Computed tomography, abdomen — Axial slice 74/96 — 51-year-old male patient — 15 organs annotated in this scan (counted over the whole 3D scan, not this slice; an organ is boxed only where this slice passes through it)
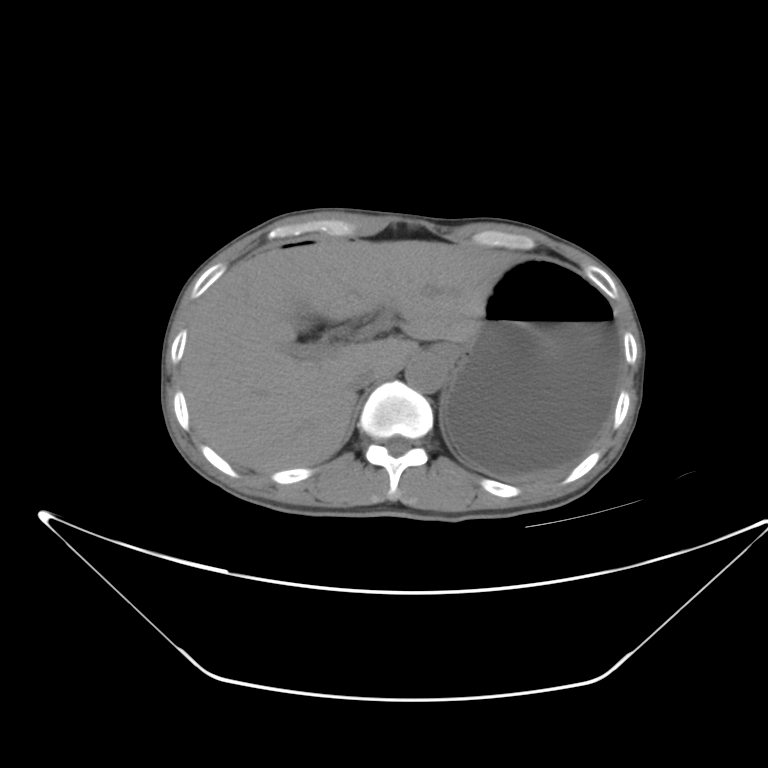

<organs><organ name="esophagus" x1="428" y1="342" x2="460" y2="367"/><organ name="liver" x1="184" y1="239" x2="517" y2="471"/><organ name="stomach" x1="446" y1="258" x2="618" y2="480"/><organ name="aorta" x1="407" y1="353" x2="446" y2="392"/><organ name="inferior vena cava" x1="347" y1="366" x2="380" y2="393"/></organs>